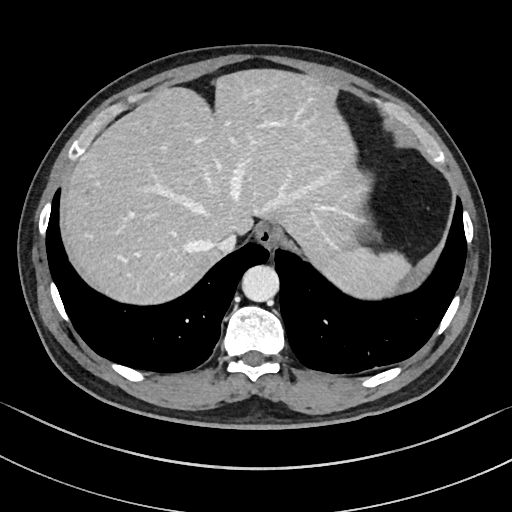 Abdominal CT; axial view; 15 organs annotated in this scan (counted over the whole 3D scan, not this slice; an organ is boxed only where this slice passes through it)
Organ boxes in pixel coordinates; each row gives the top-left (x1, y1) and bottom-right (x2, y2) corners.
| organ | x1 | y1 | x2 | y2 |
|---|---|---|---|---|
| inferior vena cava | 217 | 233 | 236 | 253 |
| liver | 59 | 67 | 368 | 307 |
| spleen | 319 | 246 | 411 | 297 |
| esophagus | 255 | 223 | 281 | 248 |
| aorta | 241 | 265 | 278 | 302 |